Chest-level slice from an abdominal CT that extends up into the chest; axial view; W/L 400/40 HU; 14 organs annotated in this scan (counted over the whole 3D scan, not this slice; an organ is boxed only where this slice passes through it)
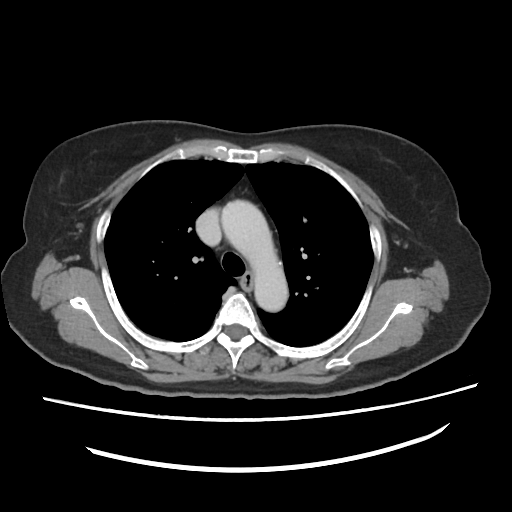 At this level of the chest no structure but the esophagus and the aorta has a label in this dataset, and those two are boxed only where they are labeled.
{"organs":{"esophagus":[241,272,252,289],"aorta":[220,199,286,311]}}